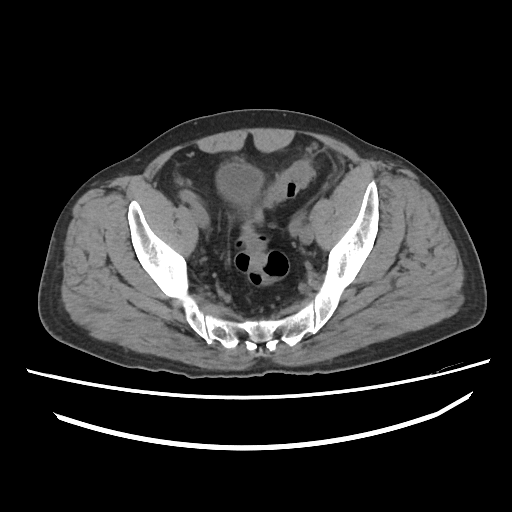
Abdominal CT. axial plane, index 32. W/L 400/40 HU. Aquilion ONE scanner
<organs><organ name="bladder" x1="216" y1="162" x2="263" y2="205"/></organs>